Abdominal CT; this slice is in the lower chest, just above the liver. axial plane, index 186. soft-tissue window
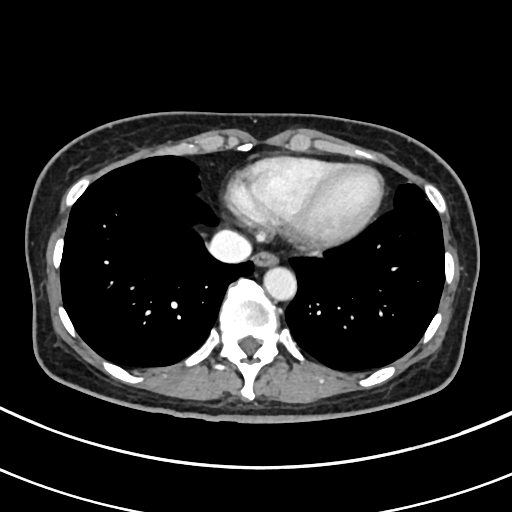 No part of the heart or lungs is labeled in this dataset, so neither has a box here.
Box edges are left/top/right/bottom in pixels.
Organ bounding boxes:
- esophagus: left=253, top=251, right=278, bottom=265
- aorta: left=262, top=266, right=296, bottom=300
- inferior vena cava: left=208, top=230, right=251, bottom=263